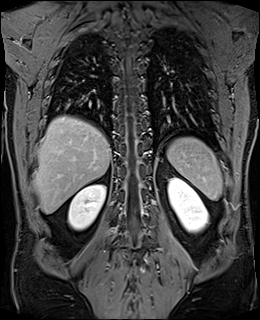

MRI, abdomen · coronal view · 1st–99th percentile window
Bounding boxes as [x1, y1, x2, y2] in pixel coordinates.
Organ bounding boxes:
- spleen: [167, 137, 222, 201]
- left kidney: [168, 178, 208, 232]
- right kidney: [68, 184, 105, 230]
- liver: [34, 116, 111, 214]